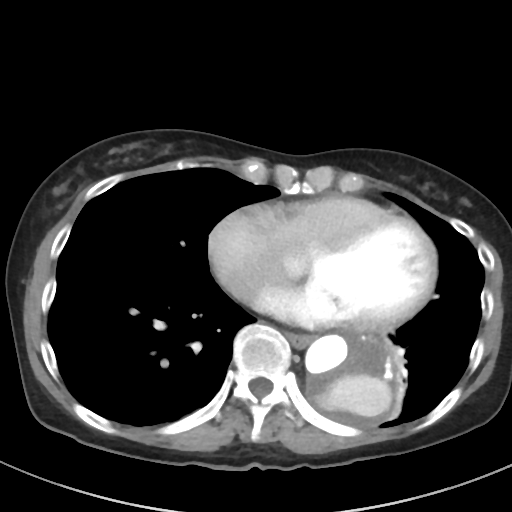 CT of the abdomen reaching into the lower chest, slice just above the liver and spleen · axial plane, index 77
No part of the heart or lungs is labeled in this dataset, so neither has a box here.
Each box given as x1,y1,x2,y2.
aorta: x1=305, y1=331, x2=401, y2=428
esophagus: x1=287, y1=332, x2=312, y2=347